CT, abdomen/pelvis — axial plane, index 130 — soft-tissue window (W 400 / L 40)
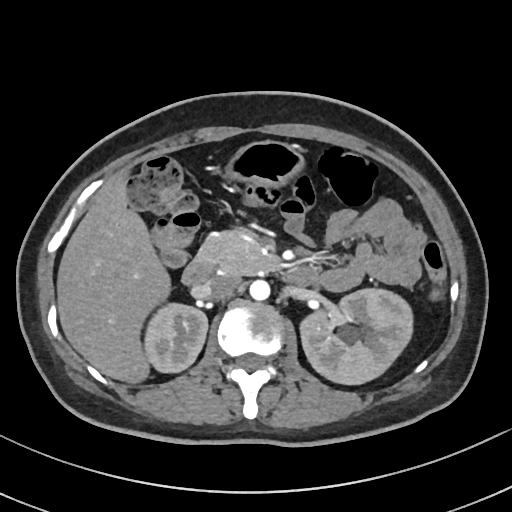
Organ boxes in pixel coordinates; each row gives the top-left (x1, y1) and bottom-right (x2, y2) corners.
| organ | x1 | y1 | x2 | y2 |
|---|---|---|---|---|
| pancreas | 197 | 226 | 277 | 274 |
| liver | 58 | 171 | 170 | 382 |
| aorta | 249 | 279 | 269 | 299 |
| right kidney | 145 | 301 | 207 | 373 |
| left kidney | 301 | 288 | 414 | 384 |
| stomach | 228 | 142 | 301 | 184 |
| duodenum | 182 | 258 | 317 | 286 |
| inferior vena cava | 205 | 274 | 241 | 299 |